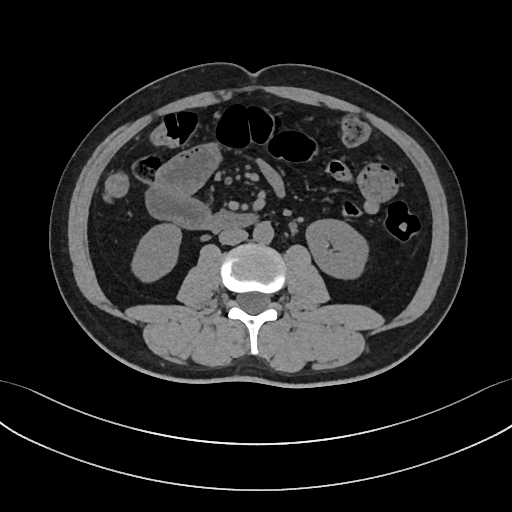
Computed tomography, abdomen — Axial slice 130/225 — 512x512 px
Bounding boxes in pixels, one row per box: x1, y1 is the top-left corner and x2, y2 the bottom-right.
| organ | x1 | y1 | x2 | y2 |
|---|---|---|---|---|
| aorta | 253 | 221 | 273 | 243 |
| inferior vena cava | 219 | 228 | 247 | 244 |
| right kidney | 133 | 224 | 180 | 279 |
| left kidney | 306 | 220 | 367 | 277 |
| duodenum | 208 | 212 | 253 | 230 |